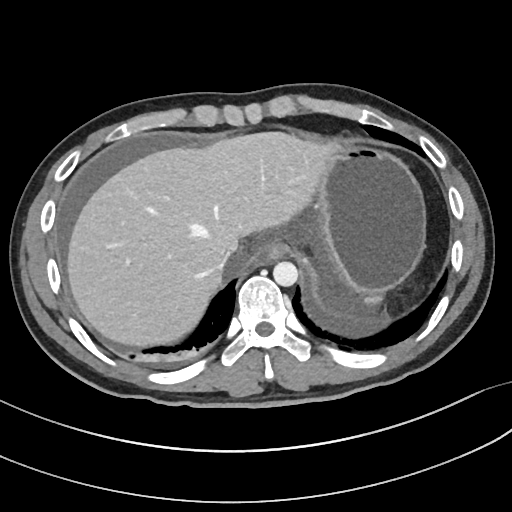 Abdominal CT · axial view
{"organs":{"spleen":[365,296,383,305],"esophagus":[256,243,287,264],"liver":[68,133,334,347],"stomach":[316,149,425,294],"aorta":[273,261,298,286],"inferior vena cava":[222,250,232,267]}}